Abdominal CT — axial view — 768x768 px
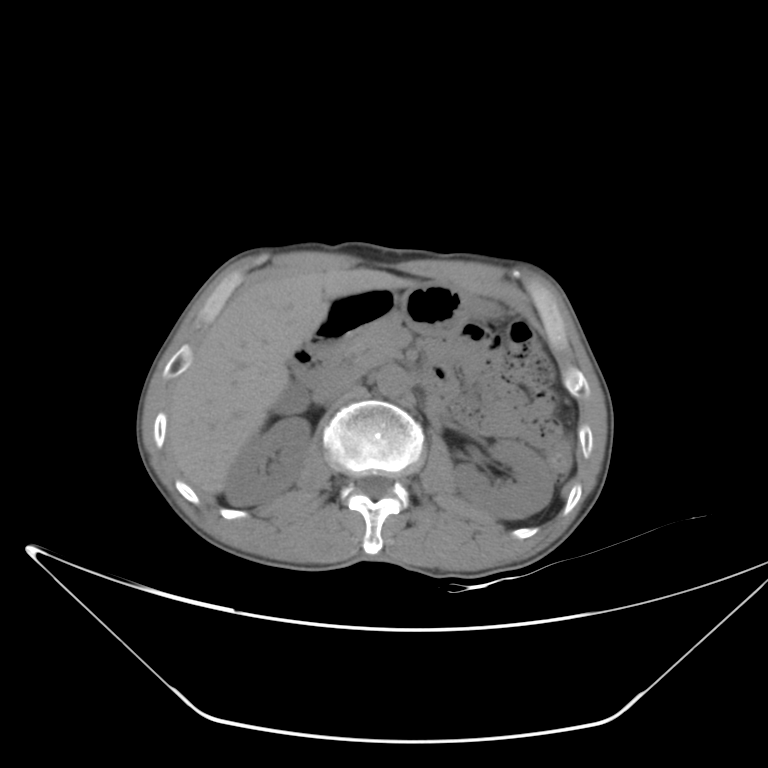 Box edges are left/top/right/bottom in pixels.
right kidney: left=225, top=416, right=310, bottom=506
left kidney: left=454, top=439, right=554, bottom=519
gall bladder: left=270, top=386, right=308, bottom=414
liver: left=167, top=268, right=418, bottom=496
stomach: left=397, top=282, right=487, bottom=333
aorta: left=376, top=366, right=408, bottom=397
inferior vena cava: left=320, top=370, right=361, bottom=397
pancreas: left=337, top=318, right=400, bottom=371
duodenum: left=290, top=290, right=459, bottom=393